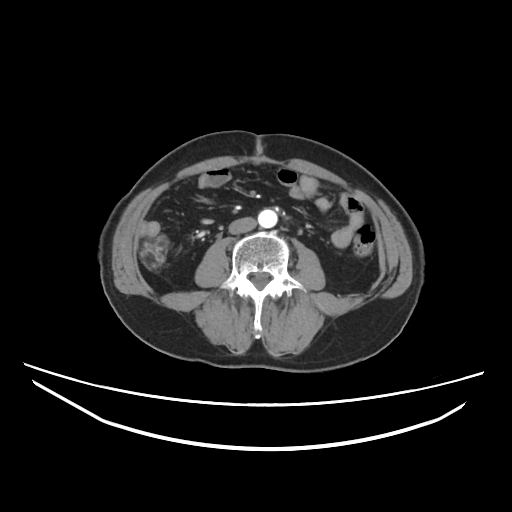

CT abdomen — axial view — 512x512 px — 15 organs annotated in this scan (that count is for the whole scan; organs this slice misses have no box)
<organs><organ name="aorta" x1="258" y1="209" x2="277" y2="228"/><organ name="inferior vena cava" x1="228" y1="217" x2="256" y2="234"/></organs>